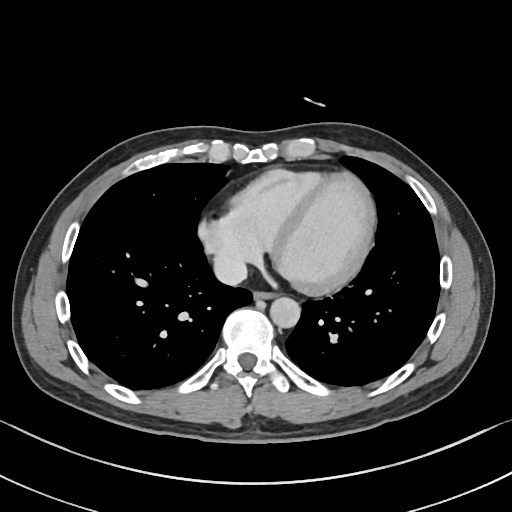

Abdominal CT; this slice is in the lower chest, just above the liver; axial view; soft-tissue window (W 400 / L 40)
The heart and lungs are never labeled in this dataset, so they have no box on this slice.
Bounding boxes as [x1, y1, x2, y2] in pixel coordinates.
Organ bounding boxes:
- esophagus: [253, 291, 276, 298]
- inferior vena cava: [213, 254, 247, 285]
- aorta: [270, 297, 300, 328]